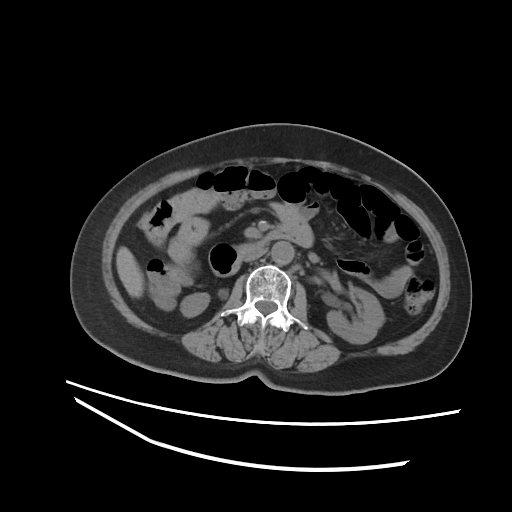

CT, abdomen/pelvis — axial view — 57-year-old female patient — scan has 15 labeled organs (a whole-scan count: organs this slice does not pass through have no box)
One row per box, in pixels: columns x1 and y1 give the top-left corner, x2 and y2 the bottom-right.
| organ | x1 | y1 | x2 | y2 |
|---|---|---|---|---|
| right kidney | 180 | 292 | 209 | 317 |
| left kidney | 327 | 287 | 384 | 343 |
| liver | 116 | 246 | 143 | 297 |
| aorta | 271 | 241 | 294 | 264 |
| inferior vena cava | 243 | 248 | 266 | 261 |
| duodenum | 209 | 226 | 313 | 276 |